Lower-chest slice from an abdominal CT, just above the liver and spleen · axial view · soft-tissue window · 512x512 px · scan has 15 labeled organs (counted over the whole 3D scan, not this slice; an organ is boxed only where this slice passes through it)
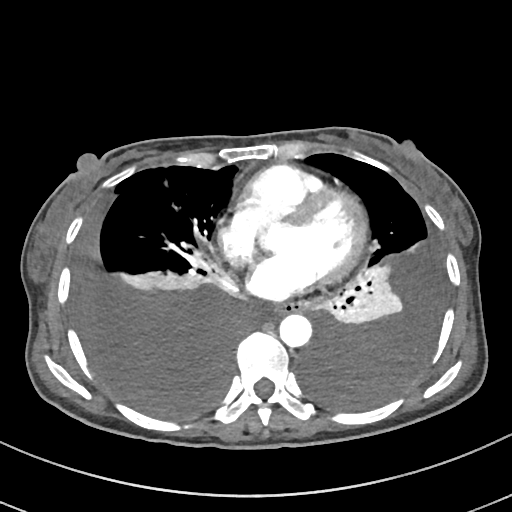
The heart and lungs are never labeled in this dataset, so they have no box on this slice. Each box given as x1,y1,x2,y2. 2 labeled organs on this slice — esophagus at x1=273, y1=302, x2=302, y2=312; aorta at x1=279, y1=313, x2=311, y2=346.